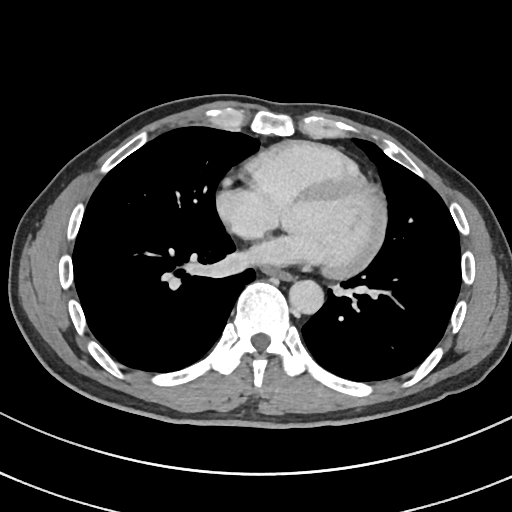
Abdominal CT; this slice is in the lower chest, just above the liver; axial view; W/L 400/40 HU
No part of the heart or lungs is labeled in this dataset, so neither has a box here.
Organ boxes in pixel coordinates; each row gives the top-left (x1, y1) and bottom-right (x2, y2) corners.
| organ | x1 | y1 | x2 | y2 |
|---|---|---|---|---|
| esophagus | 265 | 269 | 292 | 280 |
| aorta | 289 | 280 | 323 | 314 |